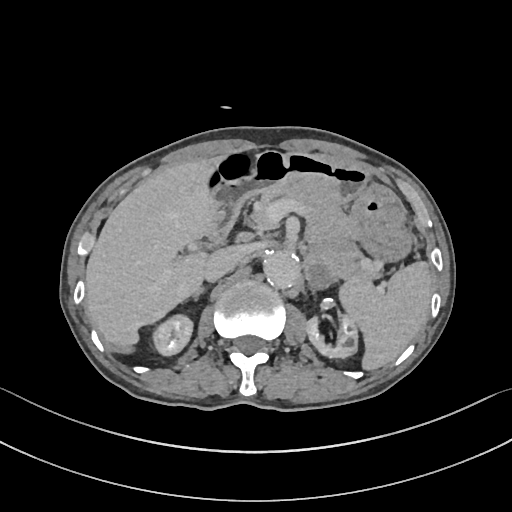
Computed tomography, abdomen; axial view; W/L 400/40 HU; 15 organs annotated in this scan (that count is for the whole scan; organs this slice misses have no box)
Boxes: x1:y1:x2:y2 in pixels. 11 labeled organs on this slice — spleen at 337:261:433:371; right kidney at 155:317:192:355; left kidney at 306:315:356:358; liver at 84:156:228:347; stomach at 208:150:415:263; aorta at 264:251:300:290; inferior vena cava at 202:248:240:283; pancreas at 259:185:377:279; right adrenal gland at 192:289:205:301; left adrenal gland at 307:264:330:289; duodenum at 207:204:238:241.